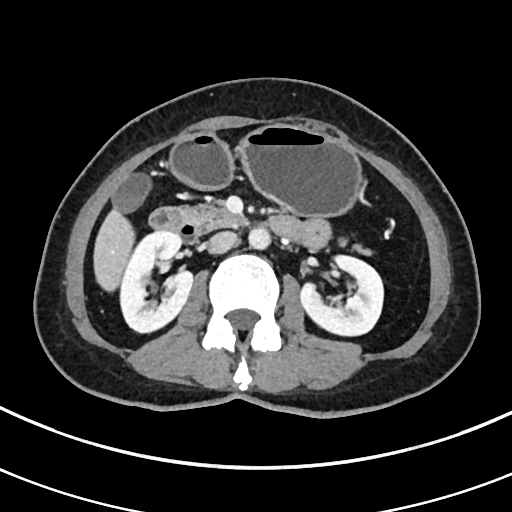

CT, abdomen/pelvis; axial plane, index 121; abdomen soft-tissue window; scan has 15 labeled organs (a whole-scan count: organs this slice does not pass through have no box)
{"organs":{"right kidney":[119,230,192,331],"left kidney":[300,253,383,336],"gall bladder":[112,174,148,211],"liver":[94,210,134,289],"stomach":[167,124,361,215],"aorta":[248,226,270,249],"inferior vena cava":[208,231,237,253],"pancreas":[191,202,371,254],"duodenum":[149,206,300,239]}}